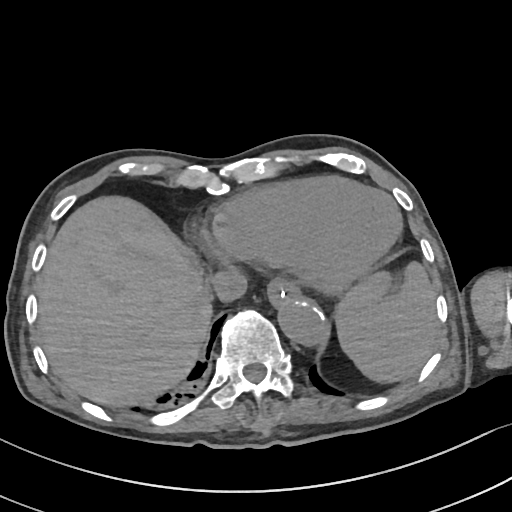 Abdominal CT — axial plane, index 178 — 15 organs annotated in this scan (a whole-scan count: organs this slice does not pass through have no box)
<organs><organ name="spleen" x1="336" y1="264" x2="439" y2="382"/><organ name="esophagus" x1="266" y1="280" x2="300" y2="308"/><organ name="liver" x1="37" y1="196" x2="211" y2="406"/><organ name="aorta" x1="277" y1="298" x2="329" y2="347"/><organ name="inferior vena cava" x1="211" y1="267" x2="247" y2="302"/></organs>